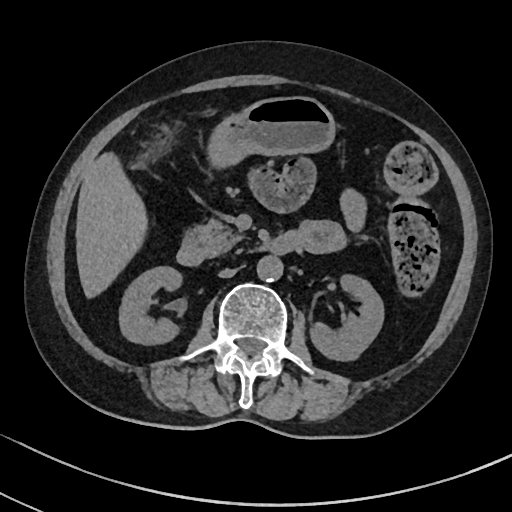 Abdominal CT · axial view
<organs><organ name="liver" x1="75" y1="152" x2="147" y2="298"/><organ name="right kidney" x1="119" y1="266" x2="182" y2="344"/><organ name="duodenum" x1="176" y1="232" x2="296" y2="266"/><organ name="left kidney" x1="310" y1="274" x2="384" y2="360"/><organ name="inferior vena cava" x1="219" y1="268" x2="236" y2="277"/><organ name="aorta" x1="256" y1="255" x2="283" y2="282"/><organ name="pancreas" x1="190" y1="218" x2="243" y2="256"/><organ name="stomach" x1="207" y1="96" x2="335" y2="168"/></organs>